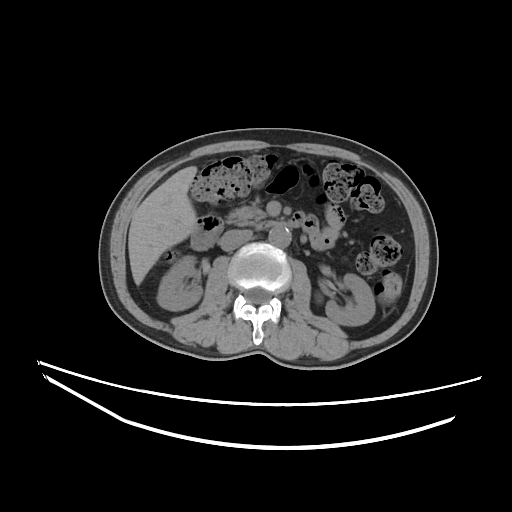 CT, abdomen/pelvis · axial plane, index 62 · W/L 400/40 HU · 68-year-old male patient
Organ boxes in pixel coordinates; each row gives the top-left (x1, y1) and bottom-right (x2, y2) corners.
| organ | x1 | y1 | x2 | y2 |
|---|---|---|---|---|
| inferior vena cava | 220 | 229 | 252 | 250 |
| pancreas | 227 | 206 | 266 | 225 |
| liver | 128 | 166 | 196 | 284 |
| duodenum | 191 | 212 | 305 | 250 |
| right kidney | 157 | 256 | 202 | 310 |
| aorta | 268 | 227 | 291 | 247 |
| left kidney | 325 | 274 | 375 | 325 |